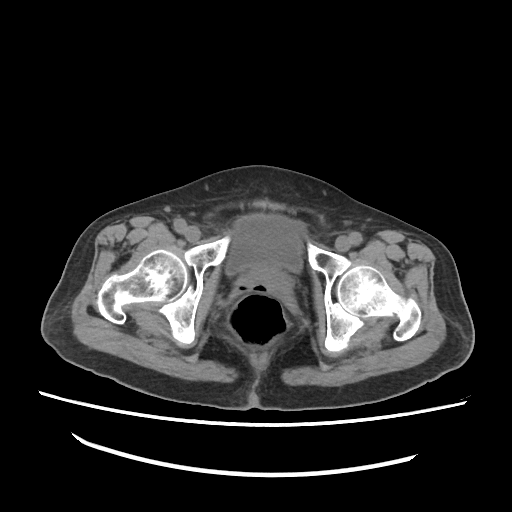

CT, abdomen/pelvis · axial plane, index 15 · Aquilion ONE scanner
Organ boxes in pixel coordinates; each row gives the top-left (x1, y1) and bottom-right (x2, y2) corners.
| organ | x1 | y1 | x2 | y2 |
|---|---|---|---|---|
| bladder | 224 | 214 | 304 | 275 |